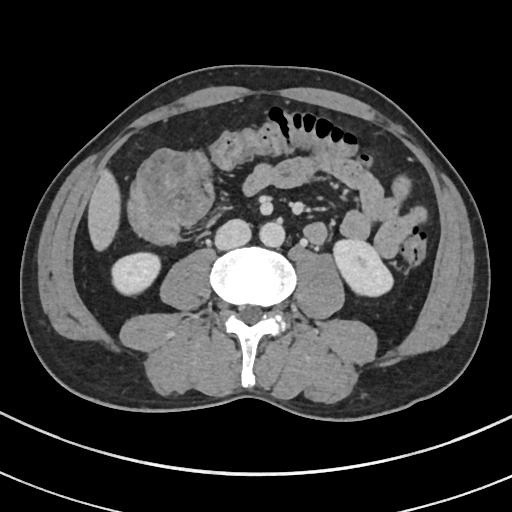

CT, abdomen/pelvis · axial plane, index 100 · abdomen soft-tissue window · 512x512 px
Boxes: x1:y1:x2:y2 in pixels.
right kidney: 113:252:160:292
left kidney: 332:239:395:296
liver: 87:167:119:253
aorta: 260:222:285:248
inferior vena cava: 215:219:251:250